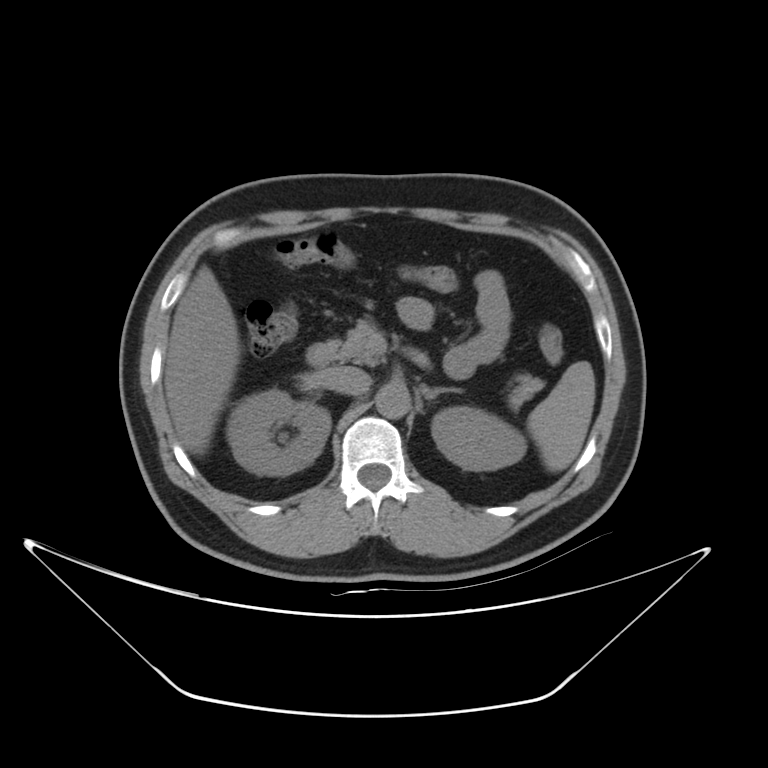

Abdominal CT. axial view. abdomen soft-tissue window. 40-year-old male patient. Brilliance16 scanner. scan has 15 labeled organs (that count is for the whole scan; organs this slice misses have no box)
{"organs":{"spleen":[527,361,594,472],"right kidney":[226,389,330,476],"left kidney":[432,406,526,471],"liver":[164,265,240,454],"aorta":[375,384,410,418],"inferior vena cava":[320,366,370,395],"pancreas":[335,320,543,410],"left adrenal gland":[421,385,456,400],"duodenum":[305,341,338,366]}}